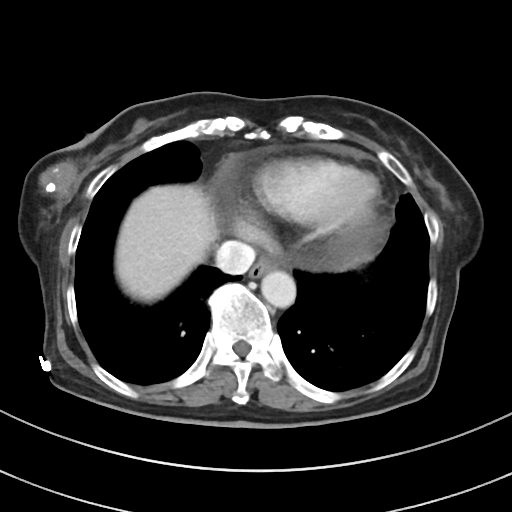
Abdominal CT · axial view · soft-tissue window · SOMATOM Force scanner · scan has 15 labeled organs (counted over the whole 3D scan, not this slice; an organ is boxed only where this slice passes through it)
<organs><organ name="esophagus" x1="249" y1="258" x2="277" y2="278"/><organ name="liver" x1="116" y1="185" x2="217" y2="301"/><organ name="aorta" x1="261" y1="271" x2="296" y2="307"/><organ name="inferior vena cava" x1="215" y1="240" x2="255" y2="274"/></organs>